Abdominal CT · axial plane, index 62 · 512x512 px · 55-year-old male patient
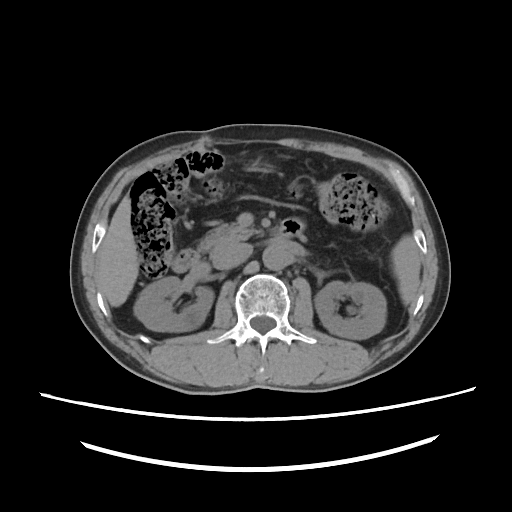

{"organs":{"spleen":[391,234,421,304],"right kidney":[132,277,214,331],"left kidney":[315,280,386,339],"liver":[97,196,139,306],"aorta":[262,244,288,270],"inferior vena cava":[211,243,252,268],"pancreas":[199,221,259,250],"duodenum":[173,220,303,273]}}